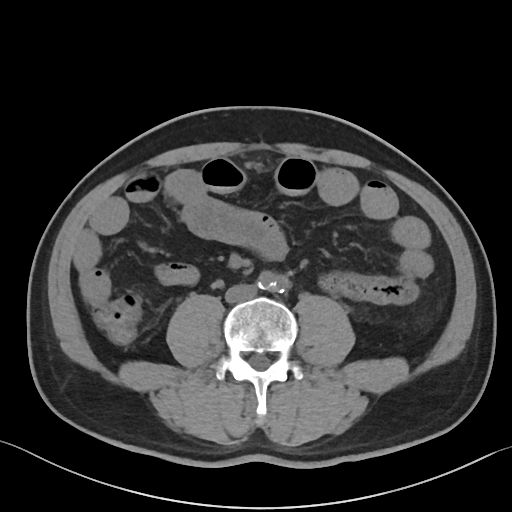
Abdominal CT. Axial slice 50/101. 512x512 px. acquired on SOMATOM Force
Box edges are left/top/right/bottom in pixels.
inferior vena cava: left=225, top=284, right=256, bottom=303